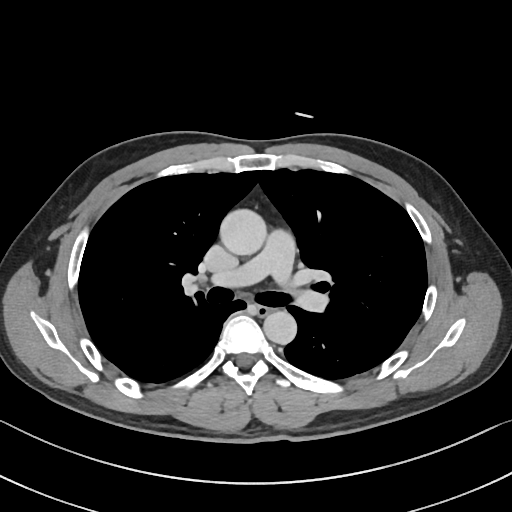 Chest-level slice from an abdominal CT that extends up into the chest — axial plane, index 232 — W/L 400/40 HU — 512x512 px
At this level of the chest this dataset labels only the esophagus and the aorta, and each is boxed only where it is labeled; the heart and lungs are never labeled.
Bounding boxes in pixels, one row per box: x1, y1 is the top-left corner and x2, y2 the bottom-right.
| organ | x1 | y1 | x2 | y2 |
|---|---|---|---|---|
| aorta | 219 | 208 | 266 | 255 |
| aorta | 263 | 311 | 296 | 344 |
| esophagus | 257 | 305 | 271 | 314 |